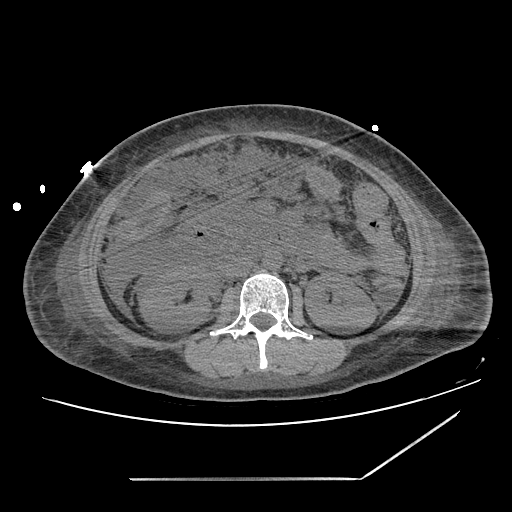
CT abdomen — axial view — soft-tissue window (W 400 / L 40) — 512x512 px — acquired on SOMATOM Force
Each box given as x1,y1,x2,y2.
Organ bounding boxes:
- right kidney: x1=139, y1=266, x2=215, y2=333
- left kidney: x1=304, y1=272, x2=377, y2=333
- inferior vena cava: x1=221, y1=254, x2=253, y2=277
- aorta: x1=263, y1=251, x2=281, y2=270